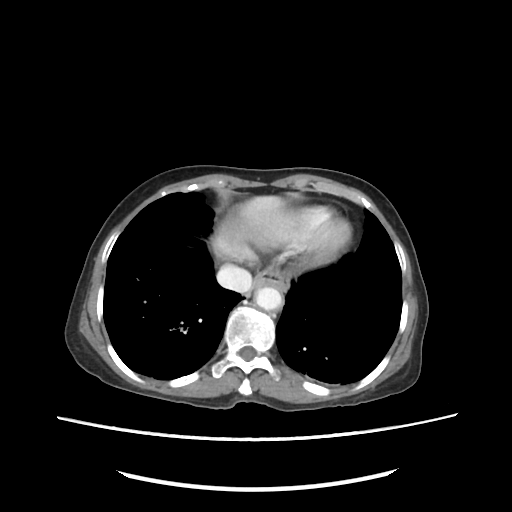

Computed tomography, abdomen; Axial slice 82/124
Boxes are (x1, y1, x2, y2) in pixels.
esophagus: (253, 273, 288, 289)
liver: (211, 196, 284, 256)
aorta: (255, 288, 282, 310)
inferior vena cava: (216, 263, 252, 293)